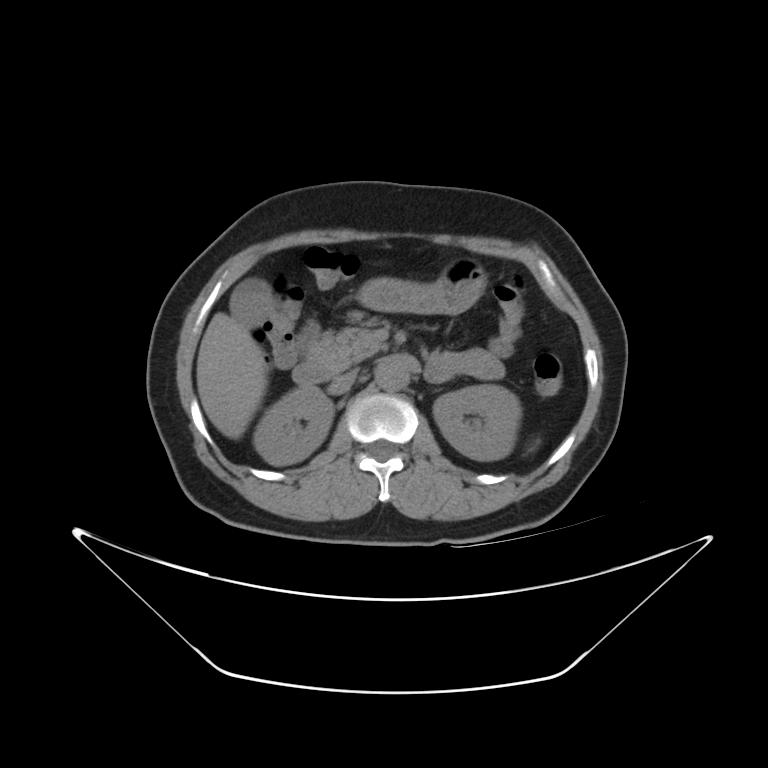 CT, abdomen/pelvis — axial plane, index 60 — 56-year-old female patient — 15 organs annotated in this scan (counted over the whole 3D scan, not this slice; an organ is boxed only where this slice passes through it)
Boxes: x1 y1 x2 y2 (pixel coords, space-separated). 10 labeled organs on this slice — spleen at 527 437 540 452; right kidney at 256 387 334 465; left kidney at 433 386 520 462; gall bladder at 232 281 271 322; liver at 195 312 266 436; stomach at 356 259 485 315; aorta at 375 359 412 391; inferior vena cava at 330 371 355 393; pancreas at 306 312 388 367; duodenum at 292 320 454 385.